Abdominal CT · axial view
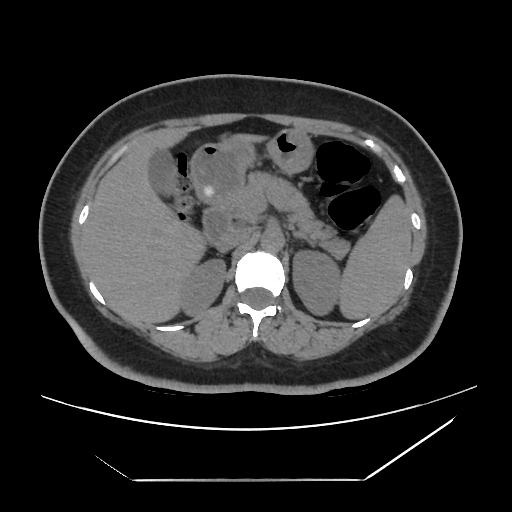 Boxes are (x1, y1, x2, y2) in pixels.
spleen: (340, 196, 411, 319)
right kidney: (179, 258, 225, 315)
left kidney: (293, 249, 342, 315)
gall bladder: (149, 149, 174, 195)
liver: (83, 129, 259, 323)
stomach: (190, 129, 312, 203)
aorta: (260, 228, 284, 251)
inferior vena cava: (215, 229, 250, 251)
pancreas: (229, 173, 349, 258)
right adrenal gland: (218, 252, 225, 255)
left adrenal gland: (294, 231, 315, 245)
duodenum: (202, 204, 230, 244)